Chest-level slice from an abdominal CT that extends up into the chest; axial view; 512x512 px; scan has 15 labeled organs (a whole-scan count: organs this slice does not pass through have no box)
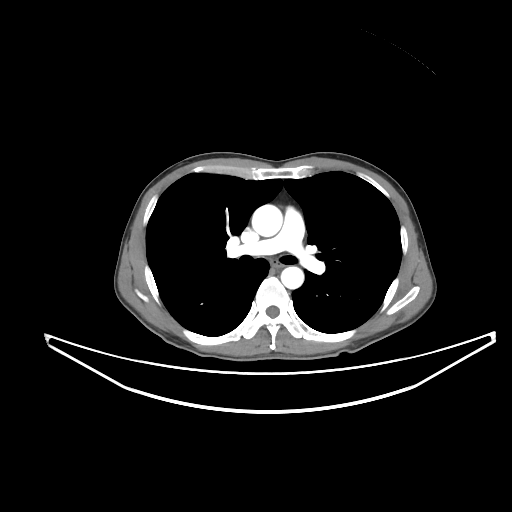

On a slice this high in the chest, this dataset labels only the esophagus and the aorta, and each is boxed only where it is labeled; the heart, lungs and other chest structures are not labeled.
Each box given as x1,y1,x2,y2.
esophagus: x1=272, y1=260, x2=287, y2=268
aorta: x1=252, y1=204, x2=282, y2=236
aorta: x1=281, y1=266, x2=303, y2=288